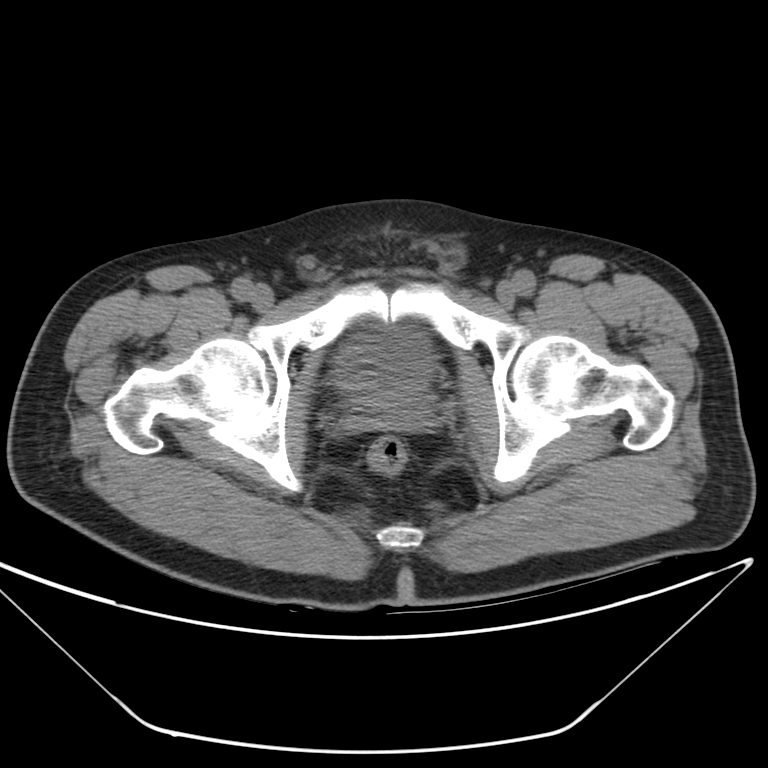

CT, abdomen/pelvis. axial view. 768x768 px. 45-year-old male patient
Bounding boxes as [x1, y1, x2, y2] in pixel coordinates.
Organ bounding boxes:
- bladder: [340, 332, 429, 403]